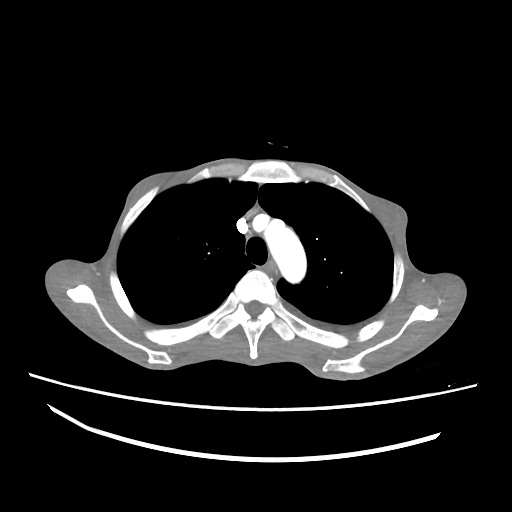 Chest-level CT slice, above the liver and spleen. axial view. soft-tissue window. acquired on Aquilion ONE
At this level of the chest no structure but the esophagus and the aorta has a label in this dataset, and those two are boxed only where they are labeled.
Coordinates as <box>x1,y1,x2,y2</box> in pixels.
esophagus: <box>264,262,275,272</box>
aorta: <box>264,222,306,282</box>